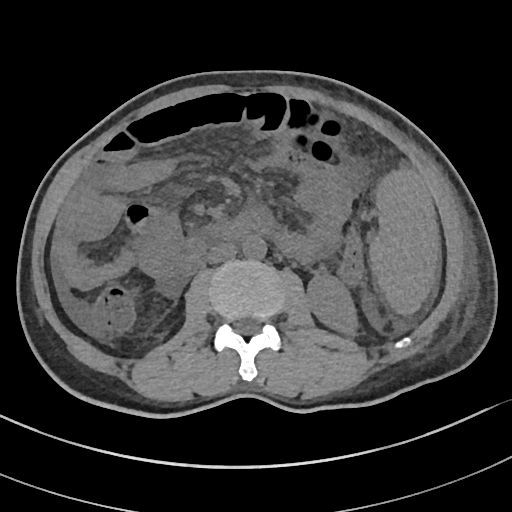

Computed tomography, abdomen. Axial slice 117/206. soft-tissue window
Bounding boxes in pixels, one row per box: x1, y1 is the top-left corner and x2, y2 the bottom-right.
| organ | x1 | y1 | x2 | y2 |
|---|---|---|---|---|
| spleen | 369 | 171 | 439 | 315 |
| left kidney | 307 | 275 | 358 | 335 |
| aorta | 242 | 236 | 266 | 259 |
| inferior vena cava | 206 | 243 | 236 | 263 |
| duodenum | 179 | 210 | 271 | 272 |